Abdominal CT; axial view; soft-tissue window; 512x512 px
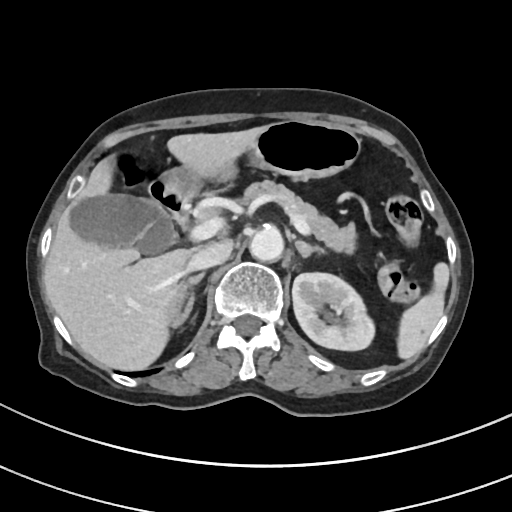 <organs><organ name="liver" x1="43" y1="127" x2="260" y2="370"/><organ name="inferior vena cava" x1="186" y1="242" x2="229" y2="269"/><organ name="duodenum" x1="149" y1="182" x2="194" y2="231"/><organ name="gall bladder" x1="70" y1="194" x2="178" y2="254"/><organ name="spleen" x1="397" y1="263" x2="448" y2="358"/><organ name="left adrenal gland" x1="295" y1="239" x2="323" y2="256"/><organ name="stomach" x1="158" y1="120" x2="359" y2="196"/><organ name="aorta" x1="249" y1="227" x2="282" y2="260"/><organ name="pancreas" x1="197" y1="180" x2="354" y2="252"/><organ name="right adrenal gland" x1="169" y1="273" x2="203" y2="326"/><organ name="left kidney" x1="292" y1="272" x2="376" y2="349"/></organs>